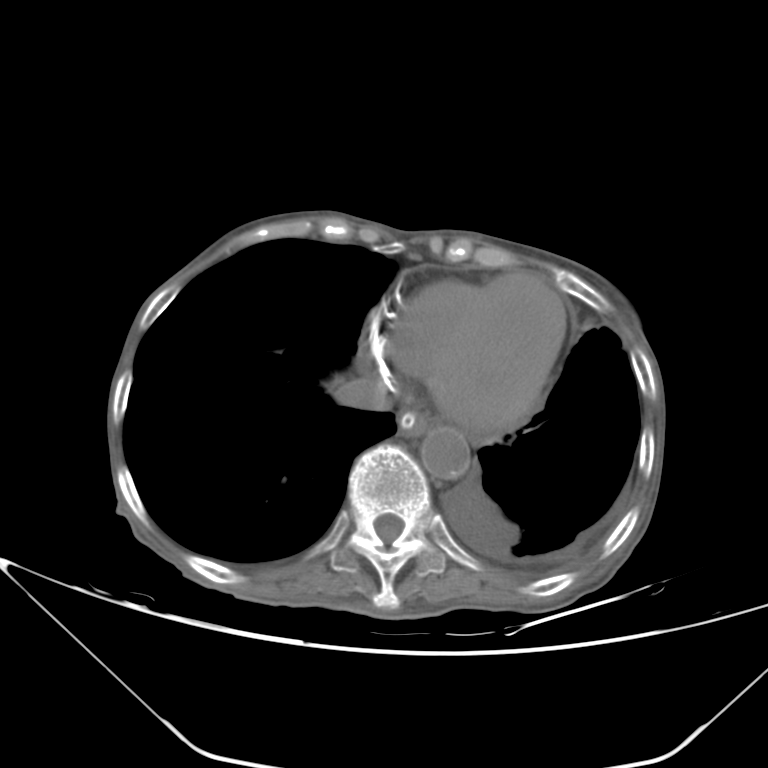
Lower-chest slice from an abdominal CT, just above the liver and spleen. axial view. soft-tissue window, W/L 400/40. 768x768 px. 80-year-old female patient
The heart and lungs are never labeled in this dataset, so they have no box on this slice.
Bounding boxes in pixels, one row per box: x1, y1 is the top-left corner and x2, y2 the bottom-right.
| organ | x1 | y1 | x2 | y2 |
|---|---|---|---|---|
| inferior vena cava | 335 | 375 | 394 | 410 |
| aorta | 420 | 427 | 469 | 479 |
| esophagus | 398 | 409 | 431 | 436 |